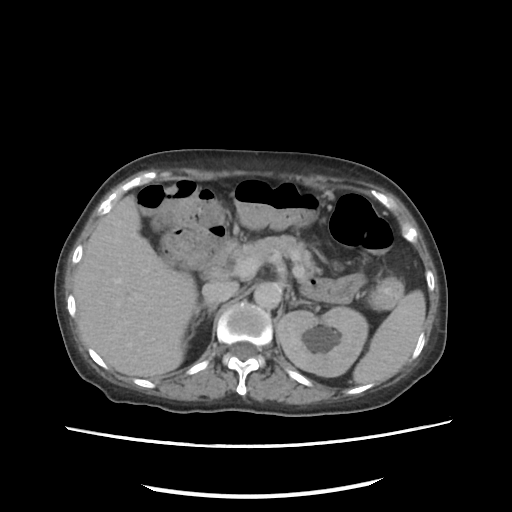
CT, abdomen/pelvis; Axial slice 65/90; 512x512 px; scan has 14 labeled organs (counted over the whole 3D scan, not this slice; an organ is boxed only where this slice passes through it)
Box edges are left/top/right/bottom in pixels. Labeled organs on this slice: aorta at left=254, top=282, right=281, bottom=309, right adrenal gland at left=193, top=302, right=217, bottom=328, inferior vena cava at left=202, top=280, right=238, bottom=303, liver at left=73, top=195, right=197, bottom=377, left kidney at left=277, top=307, right=368, bottom=377, left adrenal gland at left=290, top=293, right=308, bottom=306, pancreas at left=230, top=235, right=316, bottom=276, duodenum at left=203, top=242, right=234, bottom=277, spleen at left=353, top=290, right=425, bottom=384.